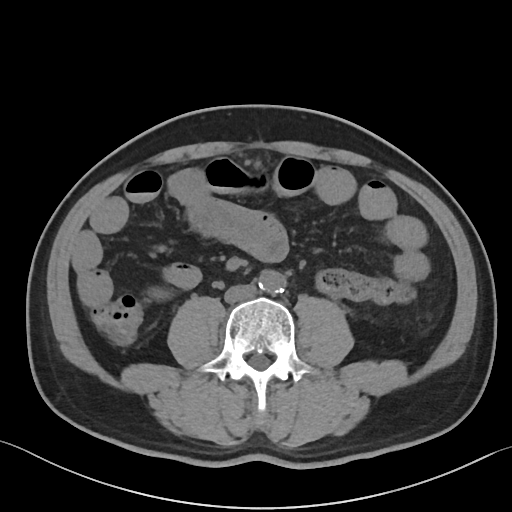

Abdominal CT — axial view — soft-tissue window (W 400 / L 40) — 512x512 px
Organ boxes in pixel coordinates; each row gives the top-left (x1, y1) and bottom-right (x2, y2) corners.
| organ | x1 | y1 | x2 | y2 |
|---|---|---|---|---|
| aorta | 258 | 270 | 286 | 293 |
| inferior vena cava | 224 | 284 | 256 | 303 |